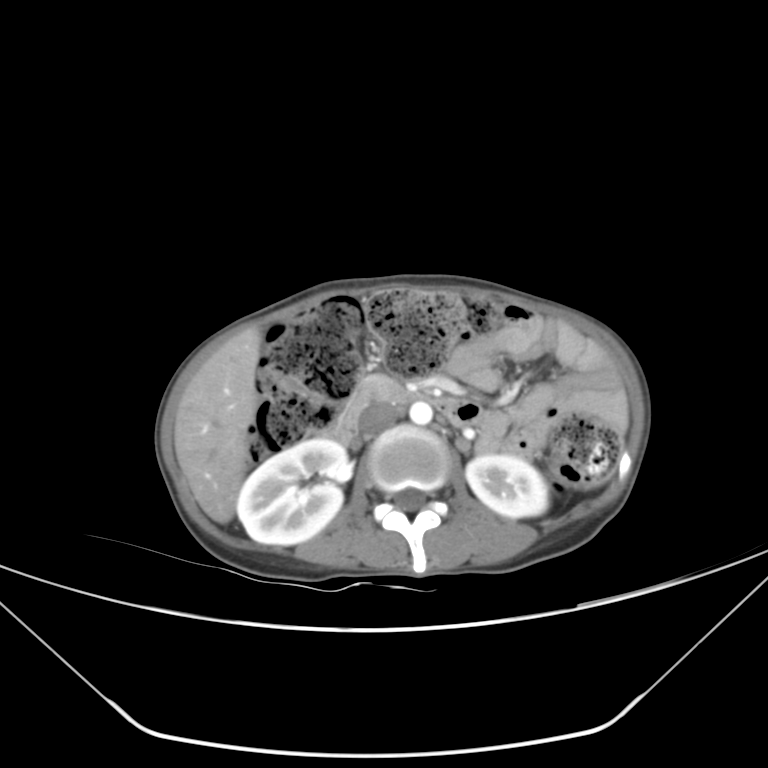 Computed tomography, abdomen · axial view · soft-tissue window · 768x768 px · 32-year-old female patient
Coordinates as <box>x1,y1,x2,y2</box> in pixels.
Organ bounding boxes:
- pancreas: <box>362,377,400,397</box>
- right kidney: <box>236,438,348,545</box>
- liver: <box>174,331,259,523</box>
- left kidney: <box>466,455,547,518</box>
- aorta: <box>409,401,432,425</box>
- inferior vena cava: <box>360,404,401,431</box>
- duodenum: <box>321,385,481,443</box>